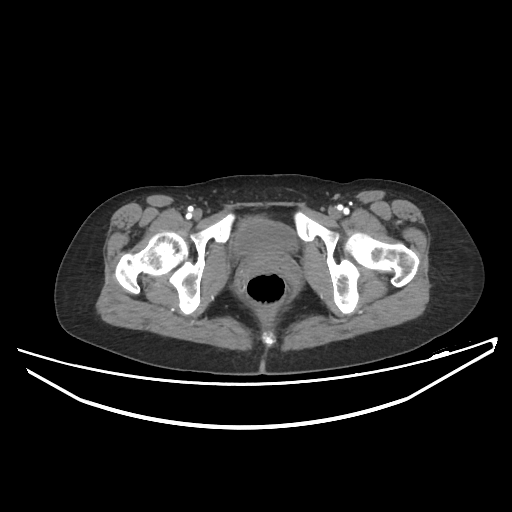

CT abdomen · axial plane, index 10 · abdomen soft-tissue window
Bounding boxes as [x1, y1, x2, y2] in pixel coordinates. 1 labeled organ on this slice — bladder at [231, 217, 297, 255].